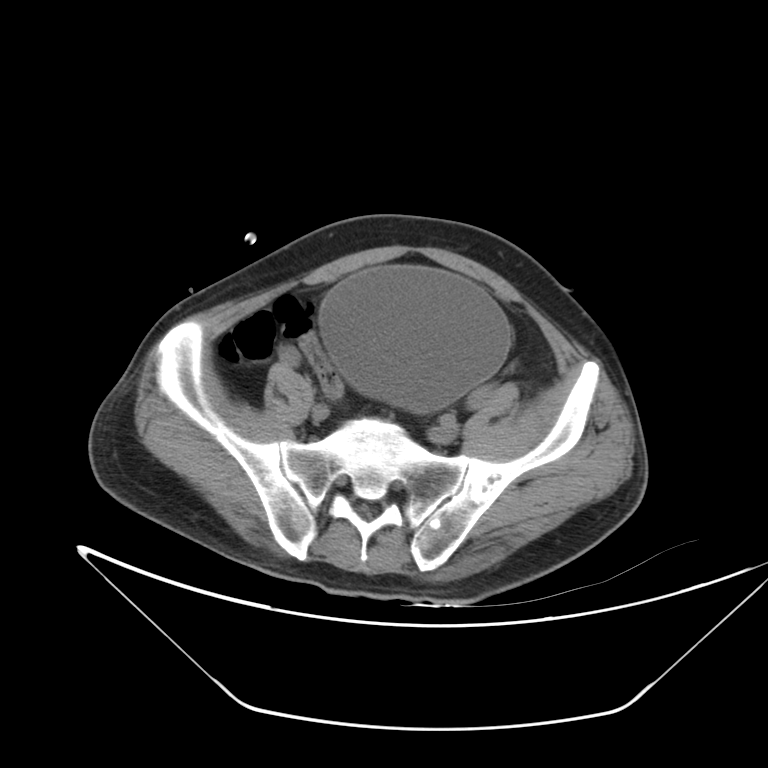
CT, abdomen/pelvis; Axial slice 38/107; soft-tissue window; 768x768 px; 47-year-old male patient
<organs><organ name="bladder" x1="321" y1="268" x2="508" y2="412"/></organs>